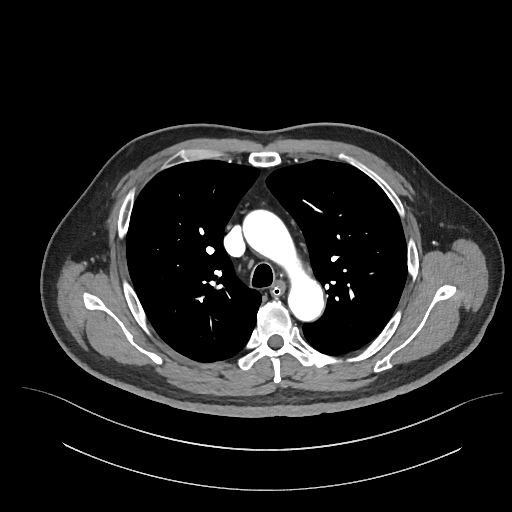 Chest-level CT slice, above the liver and spleen. axial plane, index 281. soft-tissue window, W/L 400/40. SOMATOM Force scanner
At this level of the chest this dataset labels only the esophagus and the aorta, and each is boxed only where it is labeled; the heart and lungs are never labeled.
{"organs":{"esophagus":[272,282,284,294],"aorta":[243,210,324,321]}}